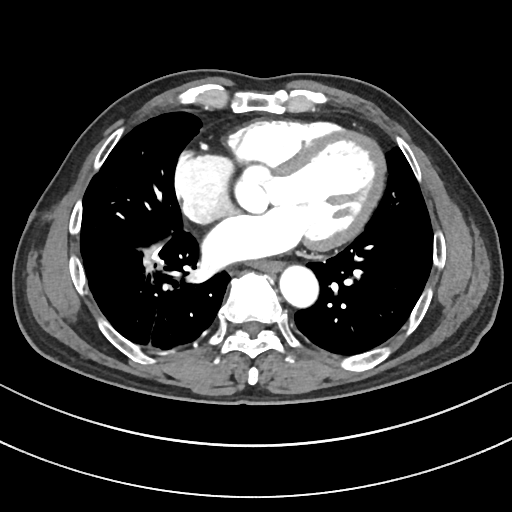 Lower-chest slice from an abdominal CT, just above the liver and spleen. axial view. 512x512 px
The heart and lungs are never labeled in this dataset, so they have no box on this slice.
{"organs":{"esophagus":[258,261,284,272],"aorta":[280,267,319,308]}}